CT, abdomen/pelvis · Axial slice 83/104
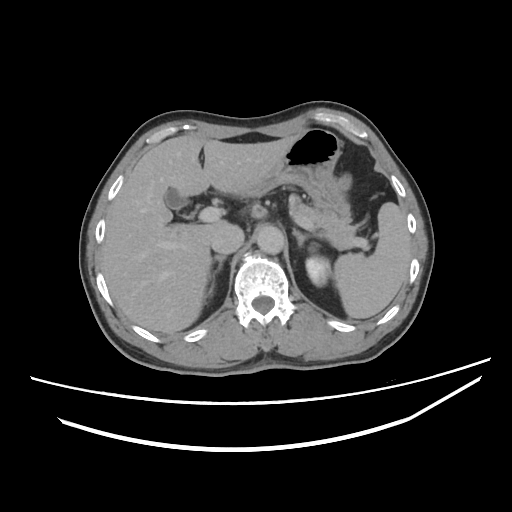 Bounding boxes as [x1, y1, x2, y2] in pixel coordinates.
spleen: [333, 202, 412, 318]
left kidney: [305, 244, 332, 286]
gall bladder: [165, 188, 187, 210]
liver: [102, 135, 298, 334]
stomach: [241, 128, 349, 215]
aorta: [257, 225, 284, 254]
inferior vena cava: [209, 223, 243, 254]
pancreas: [294, 199, 355, 249]
right adrenal gland: [206, 255, 226, 296]
left adrenal gland: [292, 229, 309, 245]